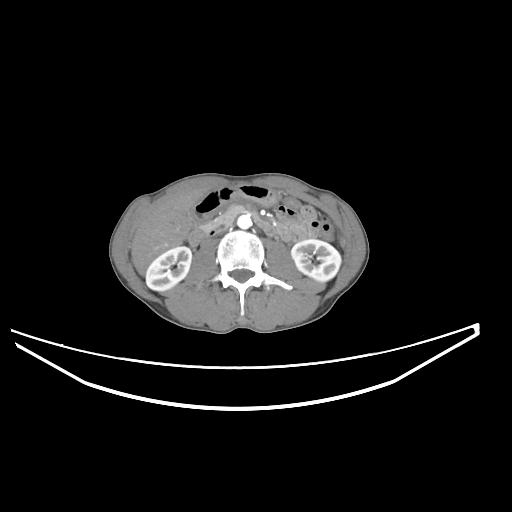

CT, abdomen/pelvis — axial view — W/L 400/40 HU — 60-year-old male patient — 15 organs annotated in this scan (a whole-scan count: organs this slice does not pass through have no box)
{"organs":{"left kidney":[291,239,341,281],"aorta":[237,215,251,228],"right kidney":[145,246,191,291],"stomach":[195,184,277,219],"liver":[131,189,205,274],"inferior vena cava":[217,223,234,236],"pancreas":[203,205,247,230],"gall bladder":[187,209,197,221],"duodenum":[188,214,275,246]}}